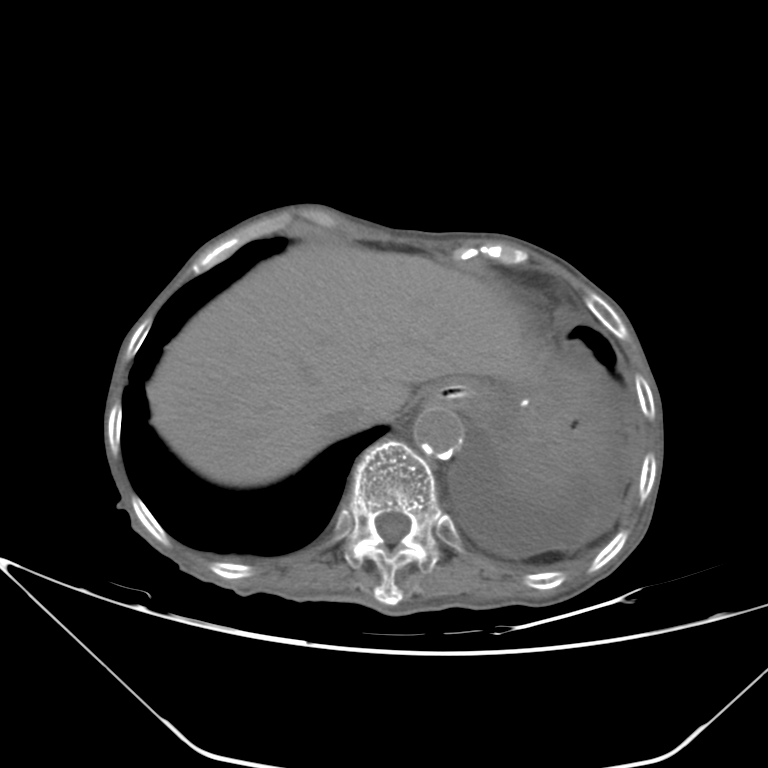

CT, abdomen/pelvis. Axial slice 76/88. soft-tissue window (W 400 / L 40). 80-year-old female patient
{"organs":{"liver":[146,243,542,485],"stomach":[424,378,527,447],"aorta":[413,406,463,458],"inferior vena cava":[323,408,364,438]}}